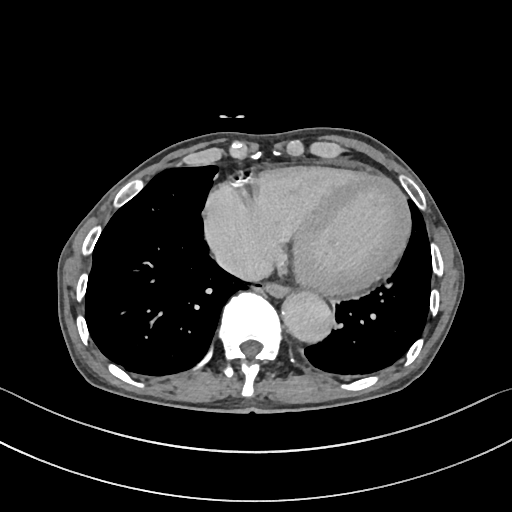 Lower-chest slice from an abdominal CT, just above the liver and spleen · axial view
The heart and lungs are never labeled in this dataset, so they have no box on this slice.
<organs><organ name="esophagus" x1="263" y1="281" x2="288" y2="295"/><organ name="aorta" x1="281" y1="289" x2="332" y2="341"/><organ name="inferior vena cava" x1="215" y1="244" x2="272" y2="281"/></organs>